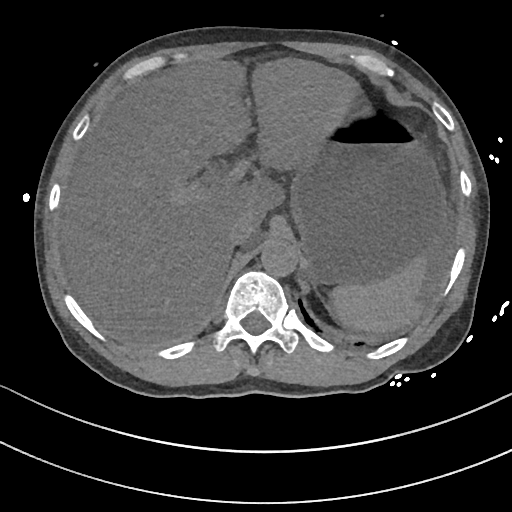 CT, abdomen/pelvis; axial view; W/L 400/40 HU; 512x512 px; SOMATOM Force scanner
One row per box, in pixels: columns x1 and y1 give the top-left corner, x2 and y2 the bottom-right.
| organ | x1 | y1 | x2 | y2 |
|---|---|---|---|---|
| spleen | 331 | 255 | 428 | 334 |
| liver | 59 | 57 | 355 | 345 |
| stomach | 291 | 96 | 447 | 285 |
| aorta | 260 | 239 | 298 | 276 |
| inferior vena cava | 226 | 218 | 251 | 245 |